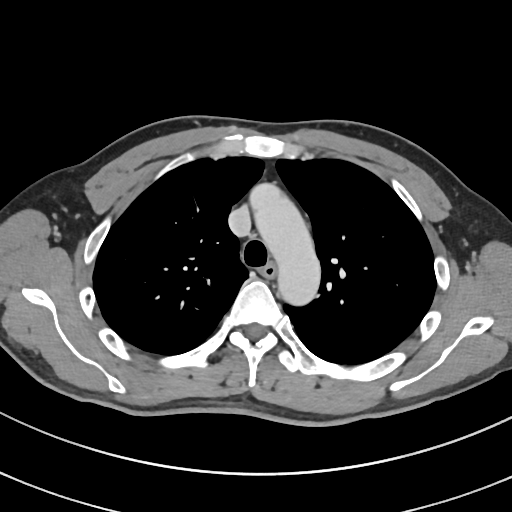

Chest-level slice from an abdominal CT that extends up into the chest; axial view; soft-tissue window (W 400 / L 40); 512x512 px
At this level of the chest no structure but the esophagus and the aorta has a label in this dataset, and those two are boxed only where they are labeled.
{"organs":{"esophagus":[259,262,276,277],"aorta":[252,184,319,302]}}